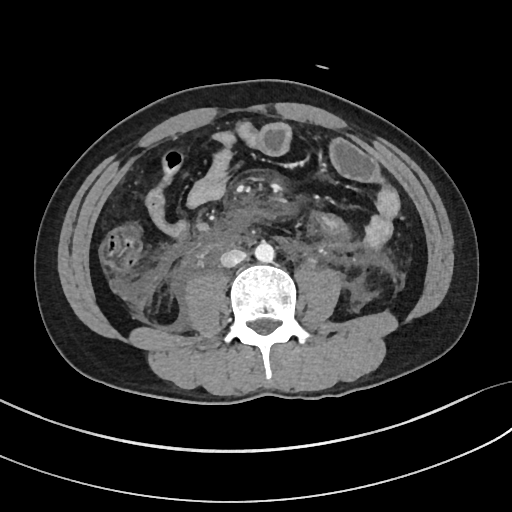 CT abdomen; axial view; 512x512 px; SOMATOM Force scanner; 15 organs annotated in this scan (counted over the whole 3D scan, not this slice; an organ is boxed only where this slice passes through it)
Boxes: x1:y1:x2:y2 in pixels. 2 labeled organs on this slice — aorta at 255:242:275:262; inferior vena cava at 220:249:247:267.